Abdominal CT — axial view — 768x768 px — 56-year-old male patient
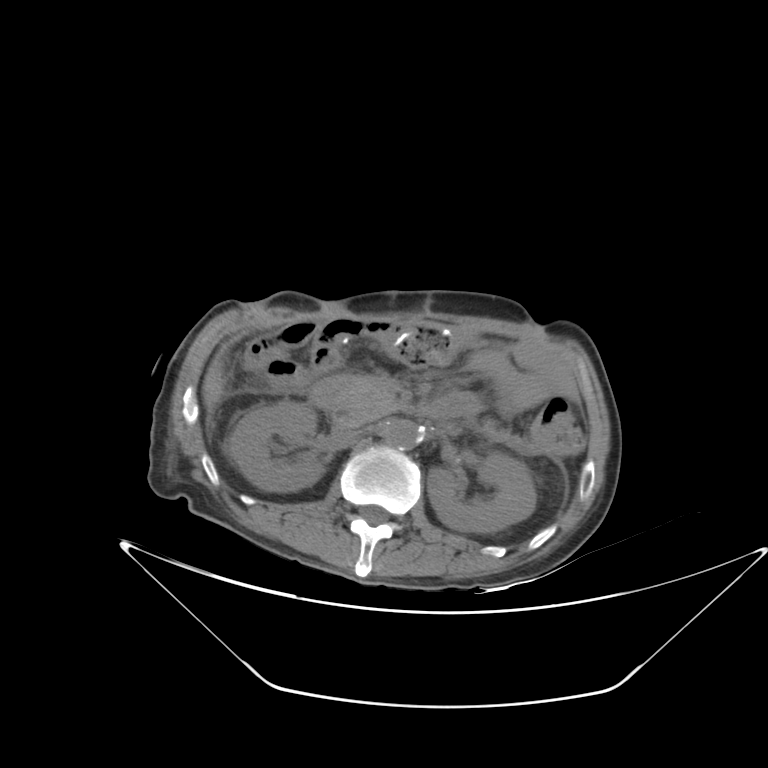 Boxes are (x1, y1, x2, y2) in pixels.
Organ bounding boxes:
- inferior vena cava: (333, 424, 360, 436)
- aorta: (383, 420, 419, 449)
- duodenum: (310, 379, 478, 422)
- liver: (202, 357, 224, 410)
- left kidney: (427, 452, 536, 533)
- pancreas: (334, 375, 397, 425)
- right kidney: (227, 400, 324, 491)